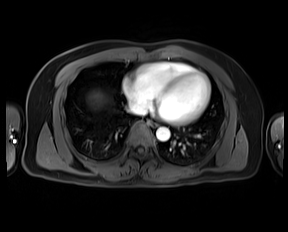

Abdominal MR · axial view · 288x232 px · 13 organs annotated in this scan (that count is for the whole scan; organs this slice misses have no box)
<organs><organ name="aorta" x1="156" y1="127" x2="170" y2="141"/><organ name="esophagus" x1="149" y1="121" x2="157" y2="126"/><organ name="inferior vena cava" x1="129" y1="102" x2="147" y2="114"/><organ name="liver" x1="92" y1="93" x2="103" y2="103"/></organs>